CT abdomen; axial view; soft-tissue window; SOMATOM Force scanner
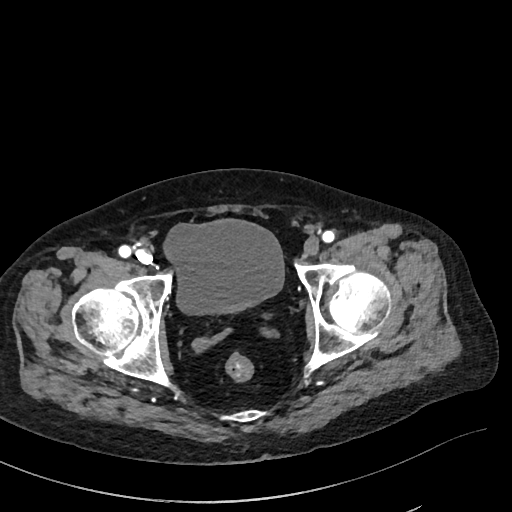

{"organs":{"bladder":[166,220,283,313]}}